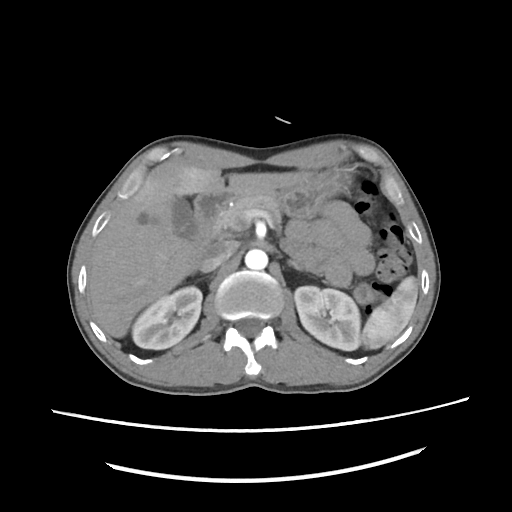
Abdominal CT. Axial slice 70/86. abdomen soft-tissue window. 512x512 px. Aquilion ONE scanner
Boxes: x1:y1:x2:y2 in pixels.
spleen: 362:277:417:348
right kidney: 132:286:202:348
left kidney: 295:286:359:350
gall bladder: 172:198:194:241
liver: 88:144:307:337
stomach: 272:165:353:217
aorta: 245:250:267:270
inferior vena cava: 199:240:238:272
pancreas: 210:194:282:243
left adrenal gland: 287:259:303:270
duodenum: 189:191:230:257